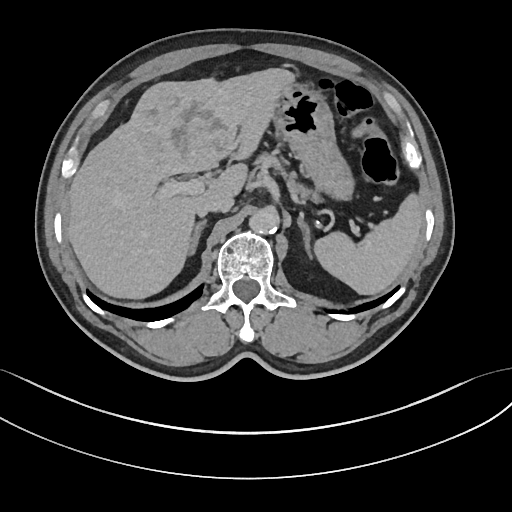
Computed tomography, abdomen — Axial slice 168/224
Box edges are left/top/right/bottom in pixels.
inferior vena cava: left=198, top=193, right=233, bottom=217
liver: left=67, top=68, right=296, bottom=298
aorta: left=248, top=209, right=278, bottom=235
spleen: left=314, top=196, right=421, bottom=294
left adrenal gland: left=297, top=214, right=310, bottom=257
stomach: left=275, top=82, right=354, bottom=199
right adrenal gland: left=192, top=220, right=206, bottom=254
pancreas: left=261, top=156, right=317, bottom=199